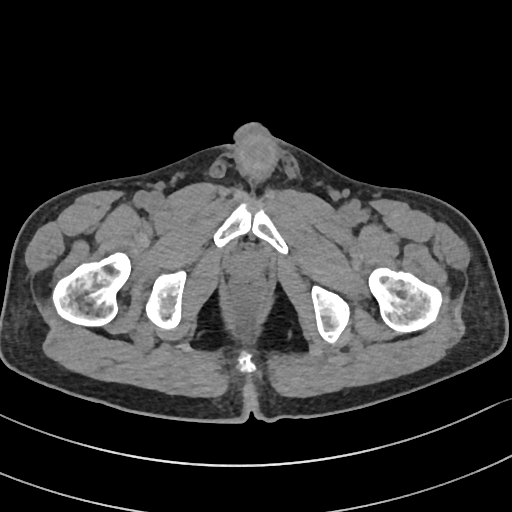
Computed tomography, abdomen · axial view · scan has 15 labeled organs (a whole-scan count: organs this slice does not pass through have no box)
Boxes: x1 y1 x2 y2 (pixel coords, space-separated).
prostate/uterus: 232 254 259 278